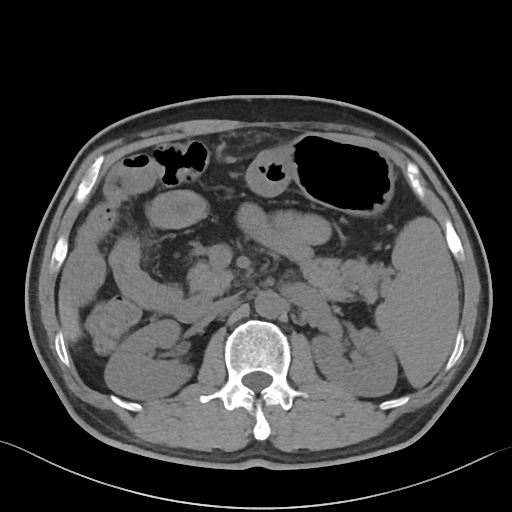

CT, abdomen/pelvis. axial plane, index 67
Box edges are left/top/right/bottom in pixels.
aorta: left=254, top=290, right=283, bottom=318
stomach: left=246, top=133, right=393, bottom=215
left kidney: left=312, top=327, right=397, bottom=396
pancreas: left=188, top=258, right=387, bottom=302
spleen: left=375, top=217, right=457, bottom=386
liver: left=58, top=291, right=81, bottom=341
right kidney: left=105, top=320, right=192, bottom=398
duodenum: left=172, top=295, right=210, bottom=322
inferior vena cava: left=208, top=296, right=236, bottom=315